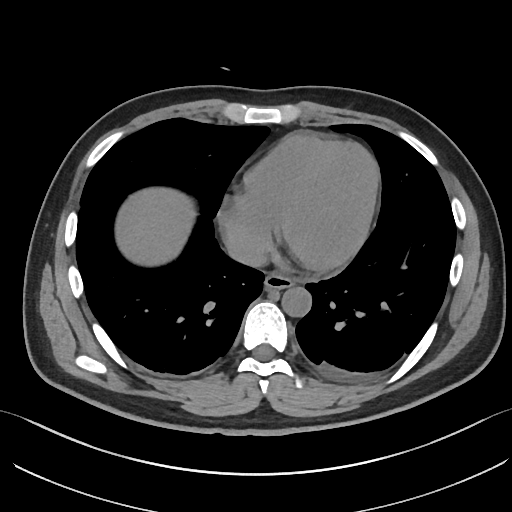 CT, abdomen/pelvis · axial view · soft-tissue window (W 400 / L 40) · 15 organs annotated in this scan (counted over the whole 3D scan, not this slice; an organ is boxed only where this slice passes through it)
<organs><organ name="esophagus" x1="264" y1="272" x2="294" y2="288"/><organ name="inferior vena cava" x1="227" y1="238" x2="266" y2="267"/><organ name="liver" x1="115" y1="187" x2="195" y2="265"/><organ name="aorta" x1="281" y1="286" x2="311" y2="317"/></organs>